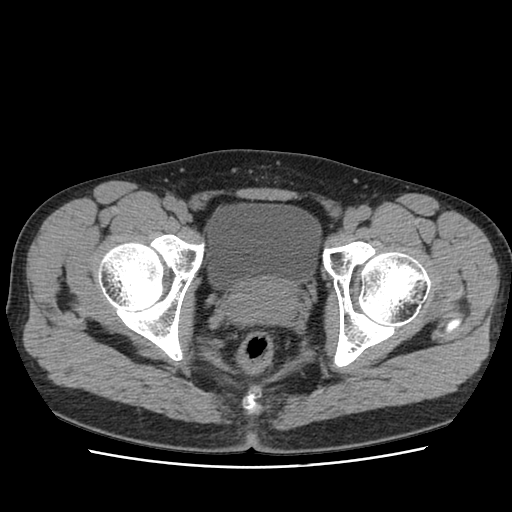

CT, abdomen/pelvis; Axial slice 27/167; abdomen soft-tissue window; acquired on SOMATOM Force
{"organs":{"bladder":[207,203,320,286],"prostate/uterus":[227,277,296,323]}}